Chest-level CT slice, above the liver and spleen — axial view
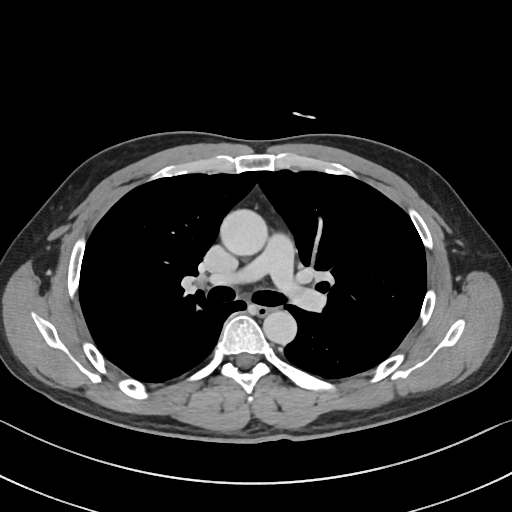 On a slice this high in the chest, this dataset labels only the esophagus and the aorta, and each is boxed only where it is labeled; the heart, lungs and other chest structures are not labeled.
Organ boxes in pixel coordinates; each row gives the top-left (x1, y1) and bottom-right (x2, y2) corners.
| organ | x1 | y1 | x2 | y2 |
|---|---|---|---|---|
| esophagus | 257 | 305 | 274 | 314 |
| aorta | 220 | 209 | 269 | 256 |
| aorta | 263 | 310 | 296 | 344 |